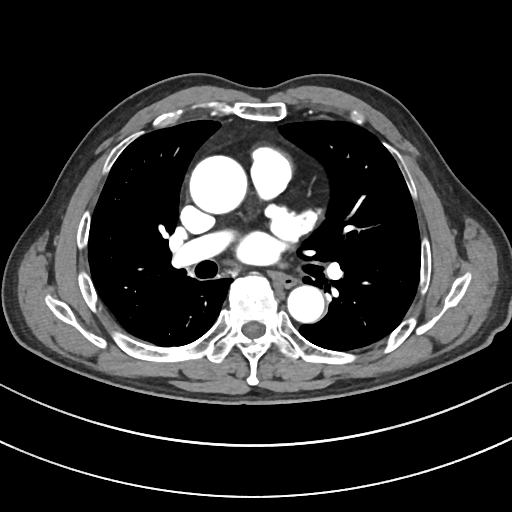 Abdominal CT reaching into the chest; this slice is in the chest · axial view · acquired on SOMATOM Force · scan has 15 labeled organs (counted over the whole 3D scan, not this slice; an organ is boxed only where this slice passes through it)
On a slice this high in the chest, this dataset labels only the esophagus and the aorta, and each is boxed only where it is labeled; the heart, lungs and other chest structures are not labeled.
One row per box, in pixels: columns x1 and y1 give the top-left corner, x2 and y2 the bottom-right.
| organ | x1 | y1 | x2 | y2 |
|---|---|---|---|---|
| esophagus | 273 | 274 | 297 | 287 |
| aorta | 189 | 155 | 247 | 213 |
| aorta | 287 | 285 | 324 | 322 |